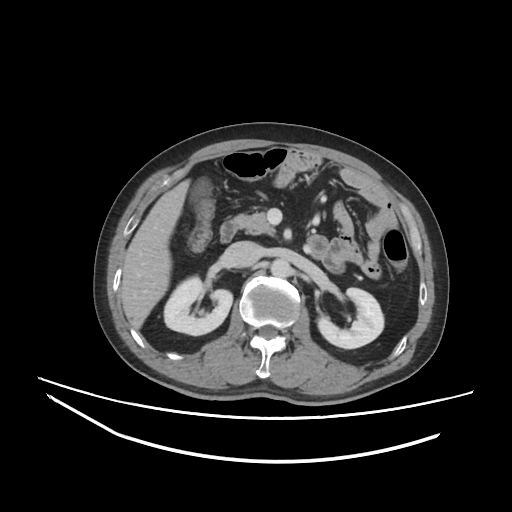
Abdominal CT; axial view; soft-tissue window; 54-year-old male patient
Each box given as x1,y1,x2,y2. Labeled organs on this slice: right kidney at x1=164, y1=276, x2=232, y2=335, left kidney at x1=317, y1=288, x2=383, y2=348, gall bladder at x1=190, y1=177, x2=212, y2=209, liver at x1=120, y1=179, x2=190, y2=329, aorta at x1=270, y1=259, x2=291, y2=277, inferior vena cava at x1=224, y1=241, x2=260, y2=267, pancreas at x1=242, y1=212, x2=275, y2=235, duodenum at x1=220, y1=215, x2=244, y2=242.